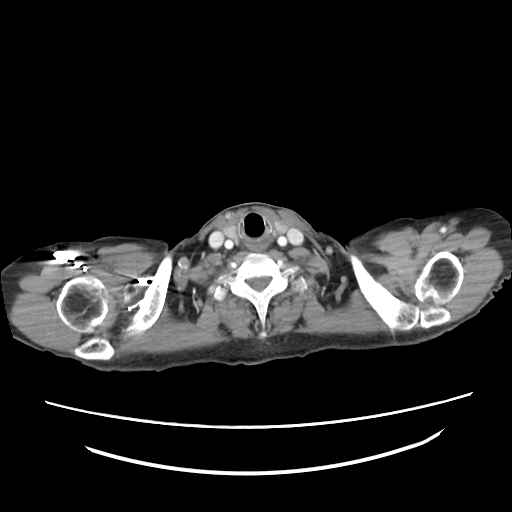 Chest-level slice from an abdominal CT that extends up into the chest. axial plane, index 134. W/L 400/40 HU. 512x512 px. 68-year-old male patient. Aquilion ONE scanner
At this level of the chest no structure but the esophagus and the aorta has a label in this dataset, and those two are boxed only where they are labeled.
Organ boxes in pixel coordinates; each row gives the top-left (x1, y1) and bottom-right (x2, y2) corners.
| organ | x1 | y1 | x2 | y2 |
|---|---|---|---|---|
| esophagus | 251 | 242 | 264 | 251 |